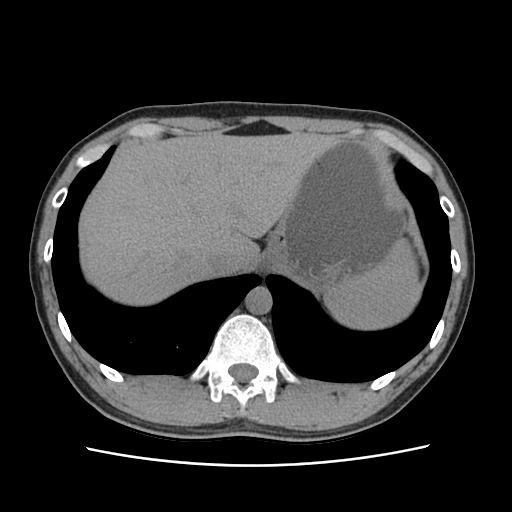 CT abdomen. axial view. SOMATOM Force scanner
<organs><organ name="spleen" x1="326" y1="242" x2="421" y2="329"/><organ name="liver" x1="79" y1="131" x2="339" y2="305"/><organ name="stomach" x1="262" y1="141" x2="406" y2="290"/><organ name="aorta" x1="245" y1="286" x2="272" y2="314"/><organ name="inferior vena cava" x1="206" y1="249" x2="241" y2="274"/></organs>